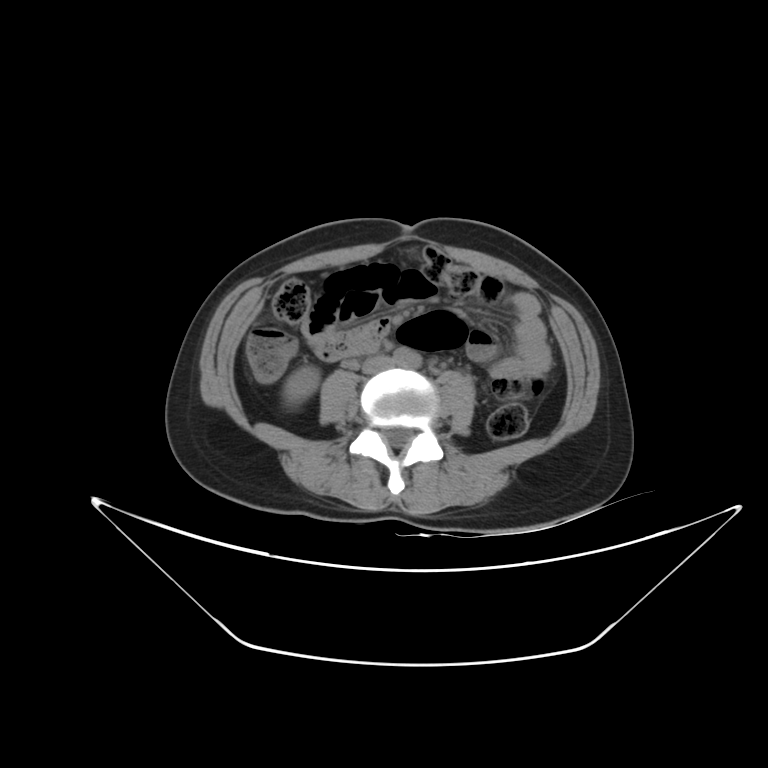

CT, abdomen/pelvis · Axial slice 49/83 · W/L 400/40 HU · Brilliance16 scanner · scan has 15 labeled organs (a whole-scan count: organs this slice does not pass through have no box)
Coordinates as <box>x1,y1,x2,y2</box> in pixels.
right kidney: <box>284,365,320,399</box>
aorta: <box>393,347,421,368</box>
inferior vena cava: <box>363,355,393,374</box>